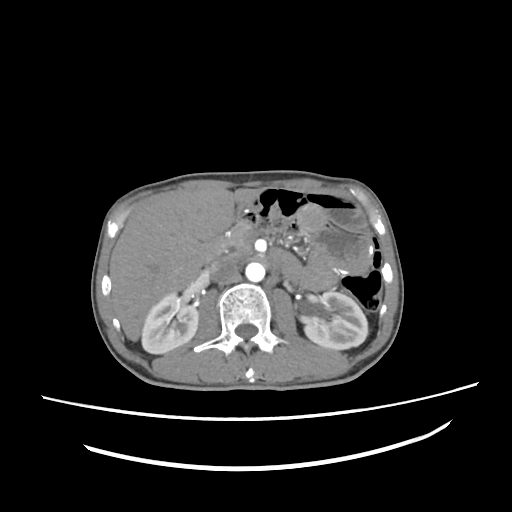
Abdominal CT — axial view — W/L 400/40 HU — 50-year-old male patient
Boxes are (x1, y1, x2, y2) in pixels.
Organ bounding boxes:
- liver: (109, 188, 258, 341)
- left kidney: (304, 291, 367, 349)
- right kidney: (141, 293, 198, 353)
- duodenum: (204, 230, 245, 260)
- pancreas: (219, 220, 252, 257)
- inferior vena cava: (207, 257, 237, 282)
- aorta: (245, 262, 264, 282)